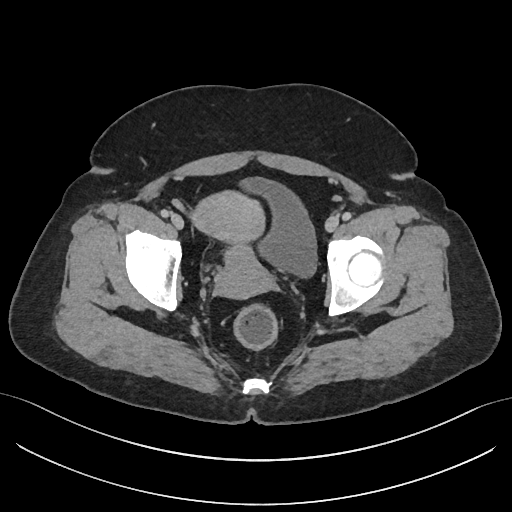

CT abdomen; axial view; 512x512 px
Boxes: x1:y1:x2:y2 in pixels.
bladder: 243:178:317:277
prostate/uterus: 191:191:269:298